Chest-level slice from an abdominal CT that extends up into the chest · axial view · W/L 400/40 HU
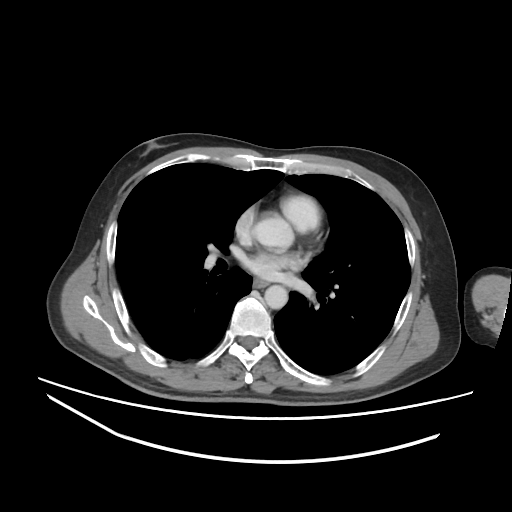 At this level of the chest no structure but the esophagus and the aorta has a label in this dataset, and those two are boxed only where they are labeled. Box edges are left/top/right/bottom in pixels. 2 labeled organs on this slice — esophagus at left=253, top=279, right=266, bottom=287; aorta at left=264, top=285, right=287, bottom=309; aorta at left=276, top=218, right=290, bottom=233.